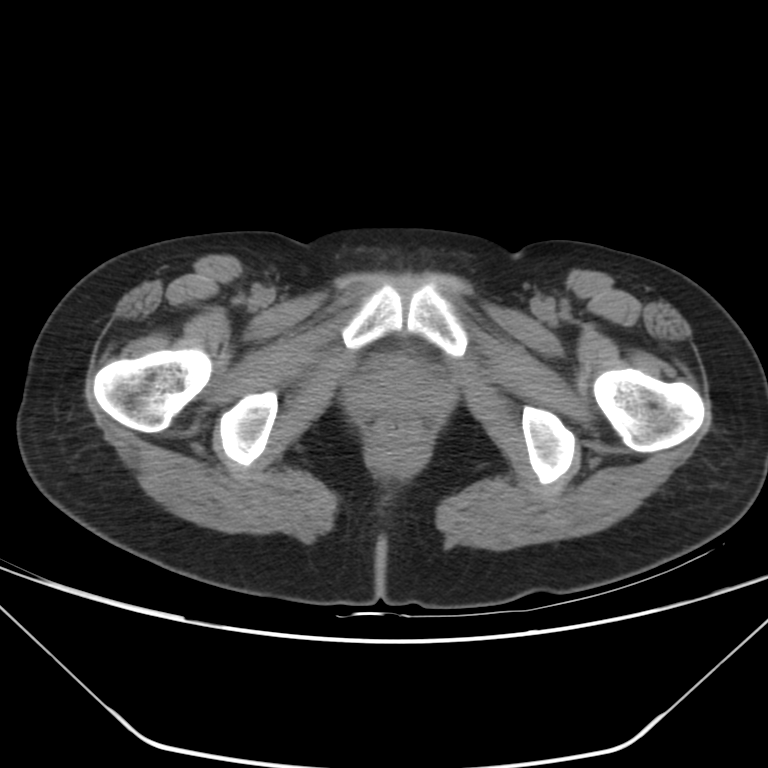

CT abdomen · axial view · W/L 400/40 HU · 32-year-old female patient
Boxes: x1:y1:x2:y2 in pixels.
Organ bounding boxes:
- bladder: 373:352:419:369